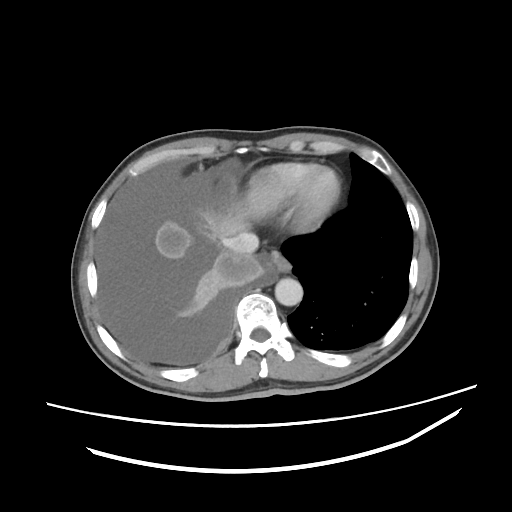 CT abdomen. axial view. soft-tissue window. 512x512 px. Aquilion ONE scanner. 15 organs annotated in this scan (that count is for the whole scan; organs this slice misses have no box)
Bounding boxes as [x1, y1, x2, y2] in pixel coordinates.
Organ bounding boxes:
- aorta: [275, 278, 302, 305]
- inferior vena cava: [226, 232, 259, 253]
- esophagus: [270, 251, 291, 272]
- liver: [212, 190, 273, 239]